Abdominal CT — axial view — soft-tissue window (W 400 / L 40) — SOMATOM Force scanner
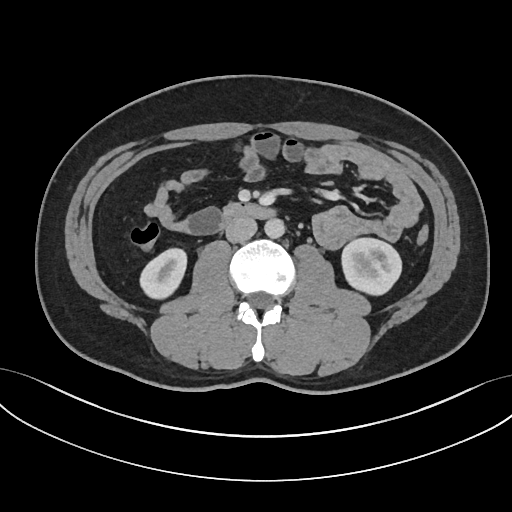
Bounding boxes as [x1, y1, x2, y2] in pixel coordinates.
right kidney: [140, 248, 186, 299]
left kidney: [341, 238, 401, 295]
aorta: [264, 218, 284, 238]
inferior vena cava: [225, 217, 257, 242]
duodenum: [222, 203, 274, 224]